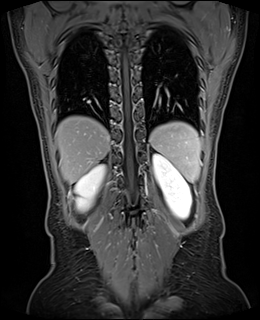
Magnetic resonance imaging, abdomen; Coronal slice 41/144
<organs><organ name="spleen" x1="149" y1="122" x2="200" y2="182"/><organ name="right kidney" x1="75" y1="164" x2="105" y2="211"/><organ name="left kidney" x1="153" y1="153" x2="191" y2="219"/><organ name="liver" x1="55" y1="116" x2="110" y2="183"/></organs>